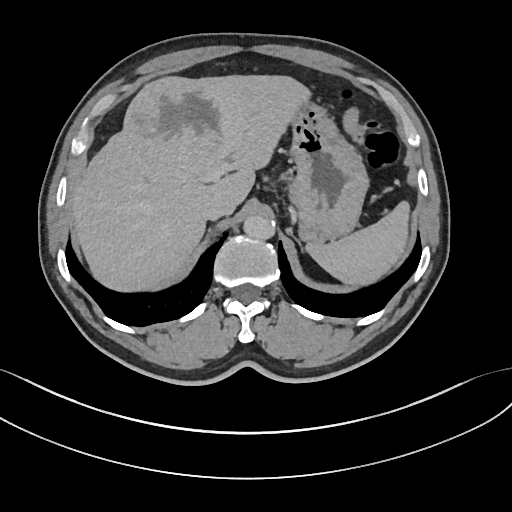

CT, abdomen/pelvis — axial view — W/L 400/40 HU
Coordinates as <box>x1,y1,x2,y2</box> in pixels. 5 labeled organs on this slice — spleen at <box>307,201,411,287</box>; liver at <box>69,74,307,293</box>; stomach at <box>287,98,367,243</box>; aorta at <box>244,214,275,239</box>; inferior vena cava at <box>201,196,234,220</box>.